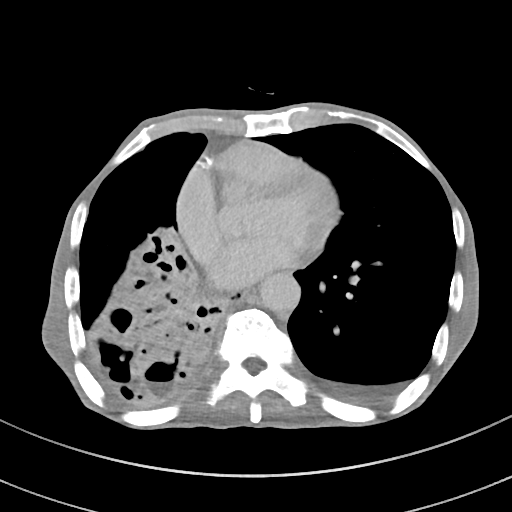

CT of the abdomen reaching into the lower chest, slice just above the liver and spleen — axial view — soft-tissue window (W 400 / L 40) — acquired on SOMATOM Force
No part of the heart or lungs is labeled in this dataset, so neither has a box here.
Each box given as x1,y1,x2,y2.
Organ bounding boxes:
- esophagus: x1=213, y1=289, x2=254, y2=309
- aorta: x1=259, y1=272, x2=300, y2=312